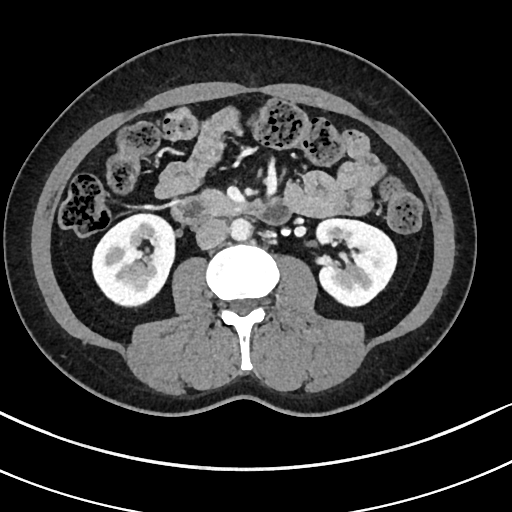

Abdominal CT; axial plane, index 121; soft-tissue window
<organs><organ name="right kidney" x1="92" y1="214" x2="174" y2="306"/><organ name="left kidney" x1="316" y1="219" x2="396" y2="306"/><organ name="aorta" x1="230" y1="218" x2="251" y2="241"/><organ name="inferior vena cava" x1="196" y1="218" x2="228" y2="249"/><organ name="pancreas" x1="200" y1="189" x2="231" y2="211"/><organ name="duodenum" x1="171" y1="196" x2="290" y2="225"/></organs>